CT abdomen. Axial slice 48/111. 512x512 px. 15 organs annotated in this scan (counted over the whole 3D scan, not this slice; an organ is boxed only where this slice passes through it)
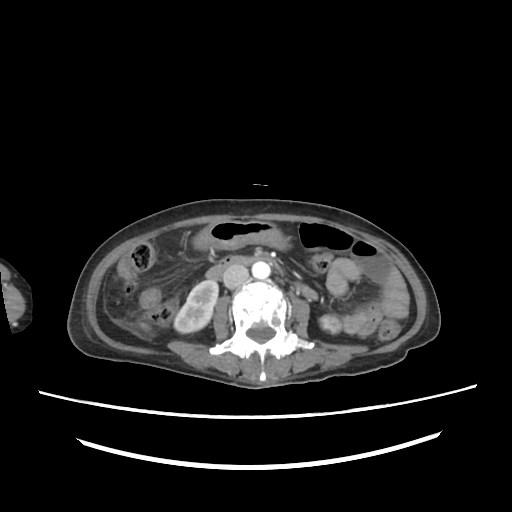

One row per box, in pixels: columns x1 and y1 give the top-left corner, x2 and y2 the bottom-right.
| organ | x1 | y1 | x2 | y2 |
|---|---|---|---|---|
| right kidney | 174 | 280 | 218 | 333 |
| left kidney | 319 | 315 | 340 | 333 |
| stomach | 193 | 220 | 288 | 250 |
| aorta | 252 | 262 | 270 | 278 |
| inferior vena cava | 223 | 265 | 248 | 288 |
| duodenum | 206 | 255 | 278 | 280 |